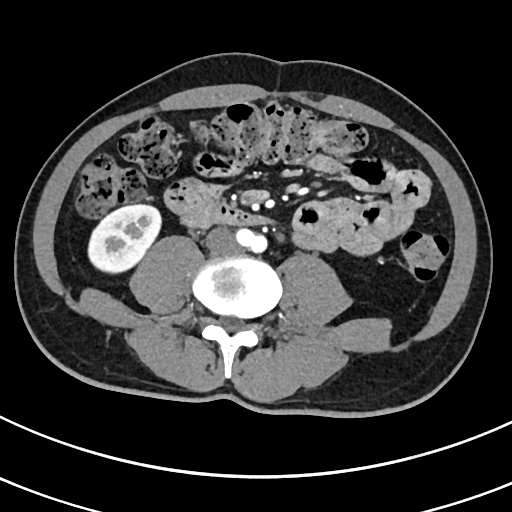
CT, abdomen/pelvis — axial view — 512x512 px — acquired on SOMATOM Force
Boxes: x1:y1:x2:y2 in pixels. 3 labeled organs on this slice — duodenum at 181:202:266:225; right kidney at 88:204:160:273; inferior vena cava at 206:227:236:253.